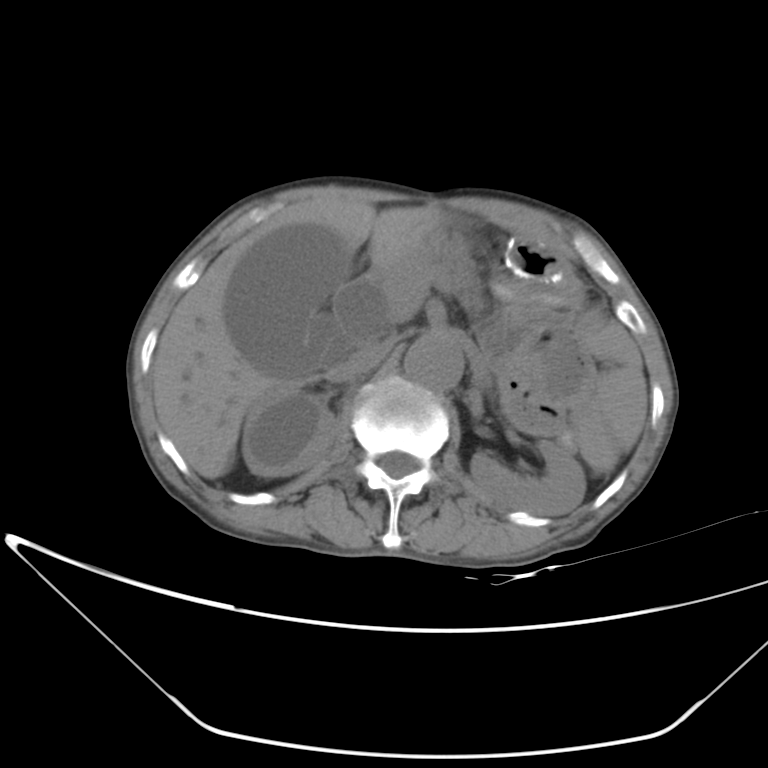 CT, abdomen/pelvis · Axial slice 59/82 · 768x768 px · 15 organs annotated in this scan (a whole-scan count: organs this slice does not pass through have no box)
Bounding boxes as [x1, y1, x2, y2] in pixel coordinates.
pancreas: [428, 227, 487, 313]
left kidney: [471, 440, 585, 514]
spleen: [598, 363, 647, 450]
gall bladder: [224, 224, 345, 376]
aorta: [403, 334, 463, 390]
right kidney: [242, 385, 338, 476]
liver: [153, 198, 442, 478]
inferior vena cava: [330, 339, 390, 382]